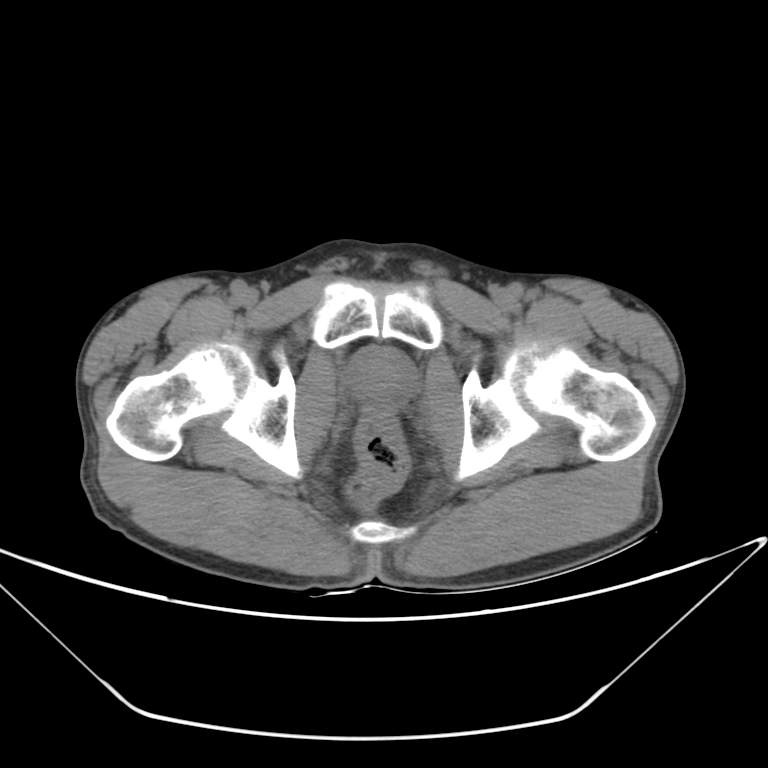

Abdominal CT. axial plane, index 15. 53-year-old male patient. Brilliance16 scanner
{"organs":{"prostate/uterus":[349,349,416,405]}}